CT, abdomen/pelvis; axial plane, index 39
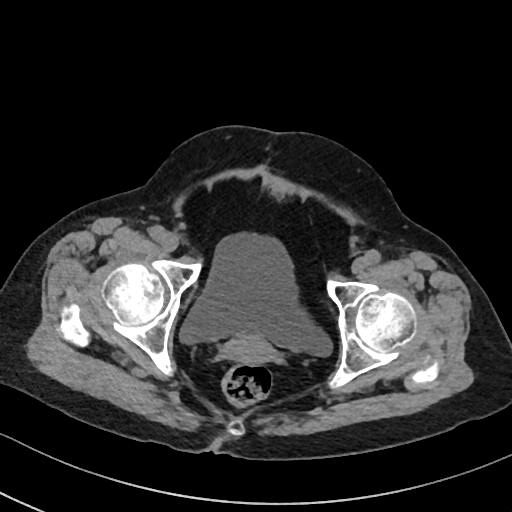
{"organs":{"bladder":[180,232,331,355],"prostate/uterus":[222,334,274,362]}}